CT abdomen · Axial slice 87/105 · soft-tissue window (W 400 / L 40) · 768x768 px · Brilliance16 scanner
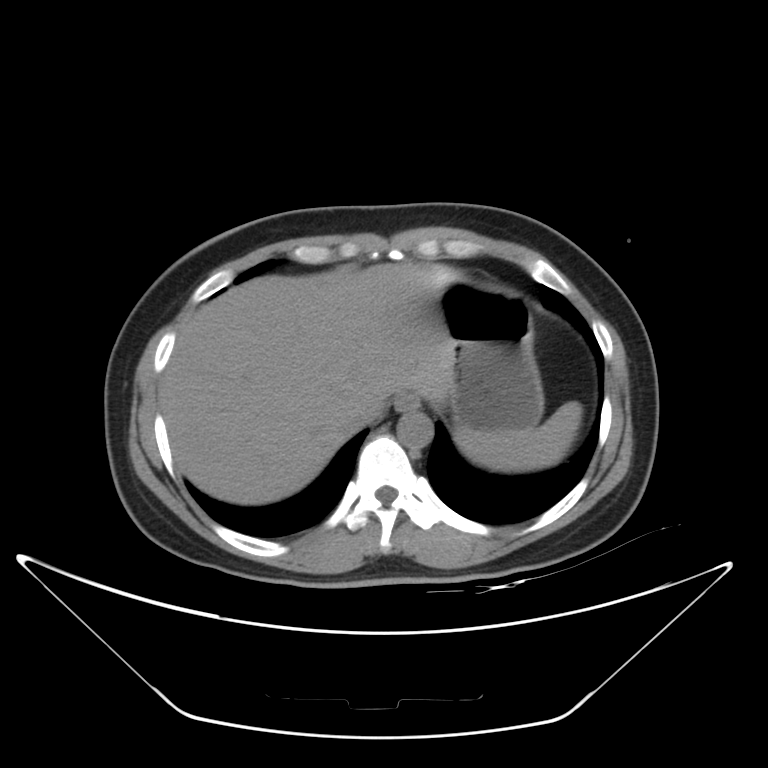

{"organs":{"spleen":[454,401,582,472],"esophagus":[395,392,421,413],"liver":[160,263,454,504],"stomach":[424,279,544,431],"aorta":[397,412,433,447],"inferior vena cava":[346,405,380,430]}}